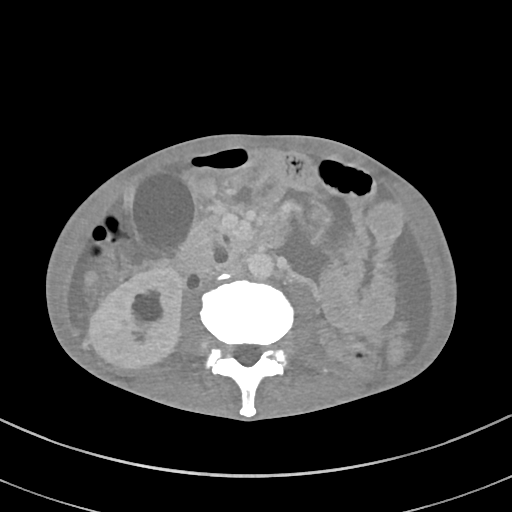
Abdominal CT. axial plane, index 50. soft-tissue window
<organs><organ name="right kidney" x1="89" y1="267" x2="182" y2="368"/><organ name="gall bladder" x1="132" y1="171" x2="195" y2="254"/><organ name="aorta" x1="246" y1="250" x2="273" y2="278"/><organ name="inferior vena cava" x1="209" y1="259" x2="241" y2="275"/><organ name="pancreas" x1="180" y1="215" x2="251" y2="267"/><organ name="duodenum" x1="170" y1="225" x2="283" y2="274"/></organs>